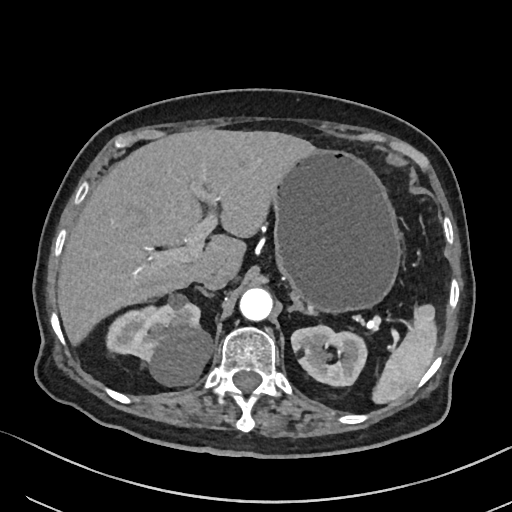
CT abdomen · axial view · 512x512 px · SOMATOM Force scanner
<organs><organ name="spleen" x1="373" y1="304" x2="436" y2="402"/><organ name="right kidney" x1="107" y1="293" x2="211" y2="385"/><organ name="left kidney" x1="291" y1="324" x2="368" y2="386"/><organ name="liver" x1="56" y1="128" x2="312" y2="342"/><organ name="stomach" x1="271" y1="147" x2="400" y2="311"/><organ name="aorta" x1="240" y1="287" x2="272" y2="319"/><organ name="inferior vena cava" x1="200" y1="270" x2="232" y2="290"/><organ name="right adrenal gland" x1="200" y1="287" x2="212" y2="296"/><organ name="left adrenal gland" x1="287" y1="291" x2="314" y2="316"/></organs>